CT, abdomen/pelvis; Axial slice 84/126; soft-tissue window; 37-year-old female patient
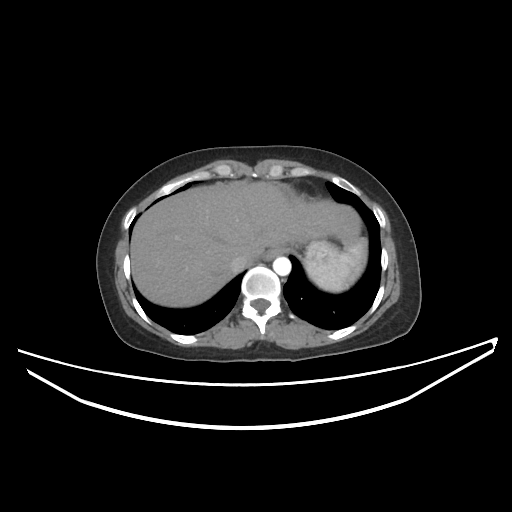
<organs><organ name="spleen" x1="304" y1="238" x2="367" y2="292"/><organ name="esophagus" x1="264" y1="245" x2="286" y2="260"/><organ name="liver" x1="130" y1="181" x2="361" y2="307"/><organ name="stomach" x1="306" y1="238" x2="326" y2="252"/><organ name="aorta" x1="273" y1="257" x2="290" y2="275"/><organ name="inferior vena cava" x1="229" y1="254" x2="248" y2="273"/></organs>